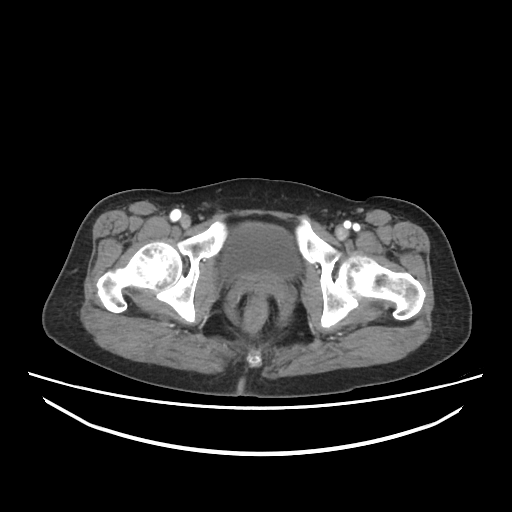

CT, abdomen/pelvis · axial plane, index 7 · 62-year-old female patient · Aquilion ONE scanner · scan has 15 labeled organs (counted over the whole 3D scan, not this slice; an organ is boxed only where this slice passes through it)
<organs><organ name="bladder" x1="221" y1="221" x2="298" y2="278"/></organs>